Abdominal CT — Axial slice 189/204 — soft-tissue window
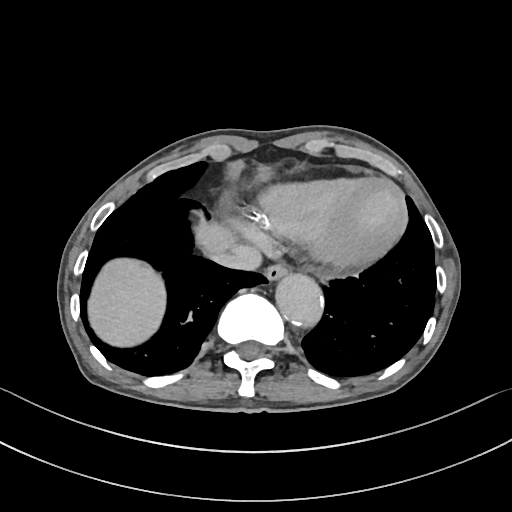
{"organs":{"inferior vena cava":[210,242,260,269],"esophagus":[265,262,288,280],"liver":[87,163,272,347],"aorta":[275,273,323,324]}}